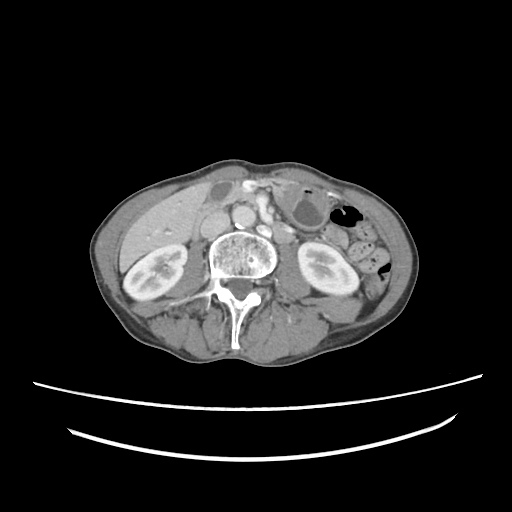

CT, abdomen/pelvis; axial view; W/L 400/40 HU; 15 organs annotated in this scan (counted over the whole 3D scan, not this slice; an organ is boxed only where this slice passes through it)
Bounding boxes as [x1, y1, x2, y2] in pixel coordinates.
Organ bounding boxes:
- right kidney: [123, 244, 187, 300]
- left kidney: [298, 242, 358, 295]
- gall bladder: [209, 180, 235, 203]
- liver: [119, 184, 209, 272]
- stomach: [270, 181, 330, 229]
- aorta: [232, 205, 255, 228]
- inferior vena cava: [200, 211, 229, 238]
- pancreas: [223, 188, 256, 205]
- duodenum: [191, 201, 291, 241]